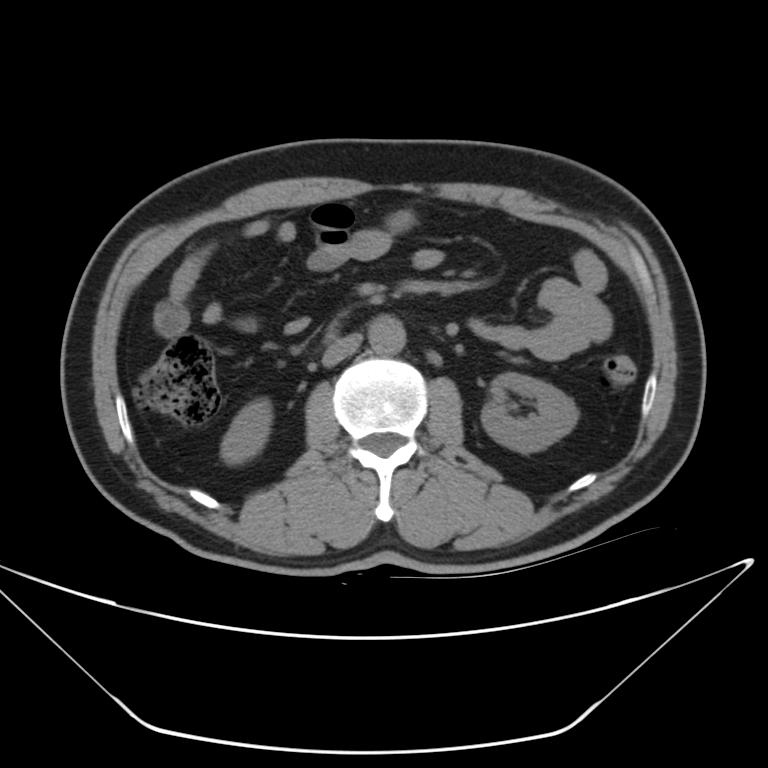
CT abdomen; axial plane, index 68; W/L 400/40 HU
{"organs":{"right kidney":[222,399,271,462],"left kidney":[481,373,576,451],"aorta":[369,314,405,353],"inferior vena cava":[321,334,362,367]}}